Abdominal CT — axial view — soft-tissue window (W 400 / L 40)
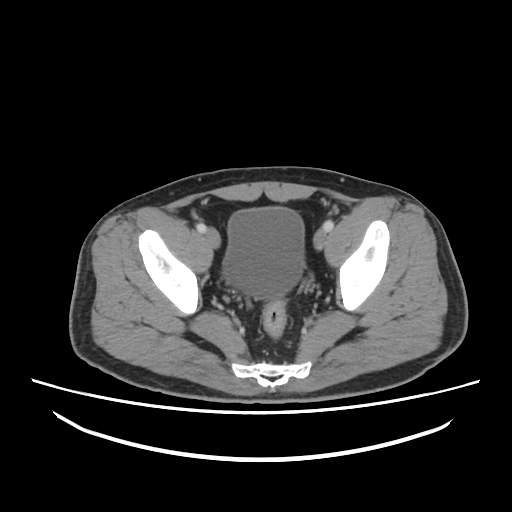 Boxes: x1 y1 x2 y2 (pixel coords, space-separated).
bladder: 223 207 304 299